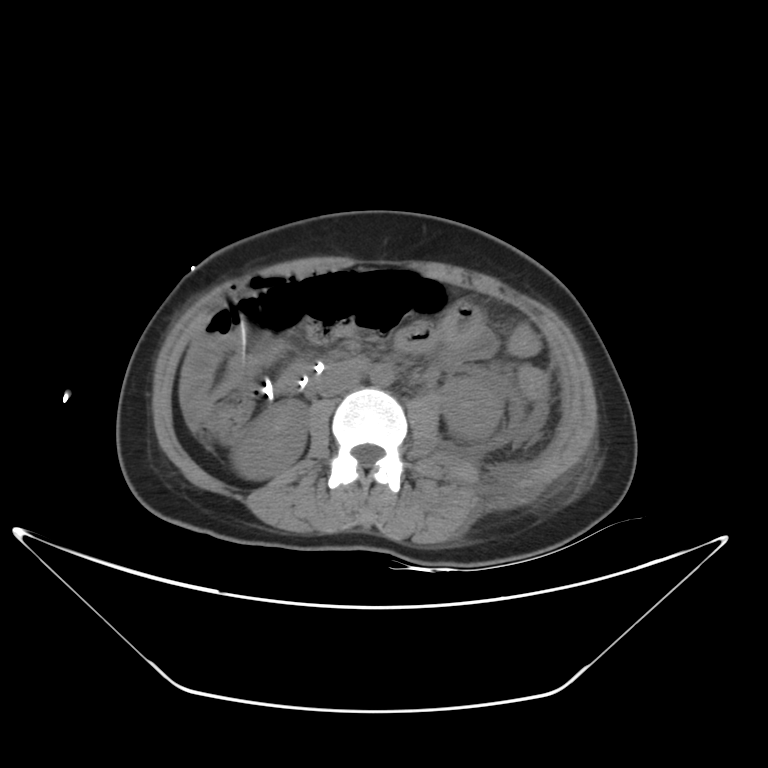

CT abdomen; Axial slice 57/95; soft-tissue window; Brilliance16 scanner
{"organs":{"inferior vena cava":[318,370,361,396],"right kidney":[231,399,307,479],"duodenum":[254,357,369,398],"liver":[180,350,192,406],"left kidney":[441,375,504,439],"aorta":[369,363,393,386]}}